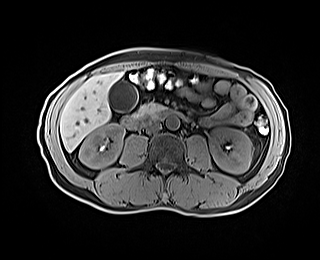 MRI, abdomen; axial view; percentile-normalized; Prisma scanner
{"organs":{"right kidney":[79,123,124,168],"left kidney":[208,127,252,173],"gall bladder":[108,80,137,111],"liver":[60,71,123,151],"aorta":[165,115,179,130],"inferior vena cava":[146,122,161,132],"pancreas":[132,102,165,118],"duodenum":[121,108,188,129]}}